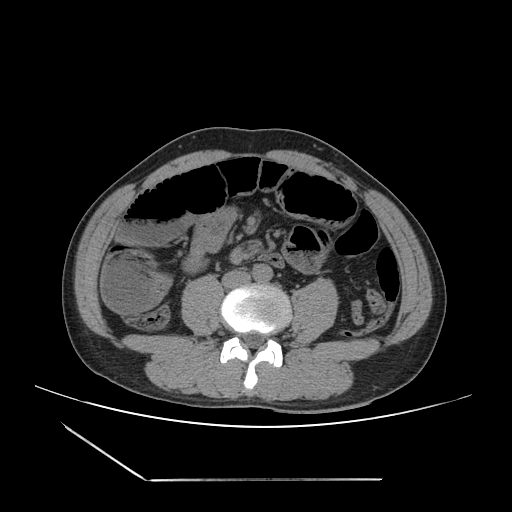

CT, abdomen/pelvis — axial view
Boxes: x1 y1 x2 y2 (pixel coords, space-separated).
Organ bounding boxes:
- aorta: 251 264 272 282
- inferior vena cava: 222 269 250 288